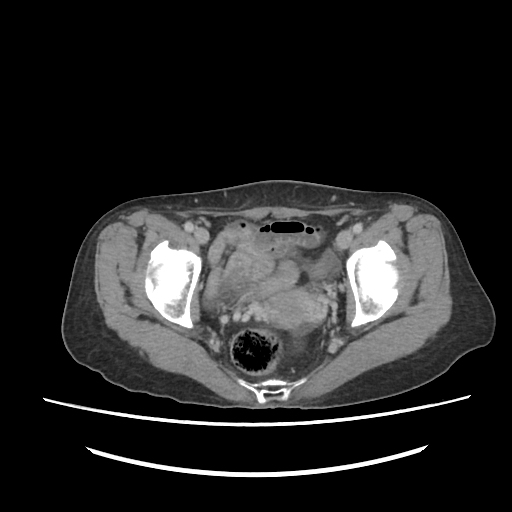

Abdominal CT; Axial slice 23/92; 60-year-old female patient
Boxes: x1 y1 x2 y2 (pixel coords, space-separated).
Organ bounding boxes:
- prostate/uterus: 264 287 316 329